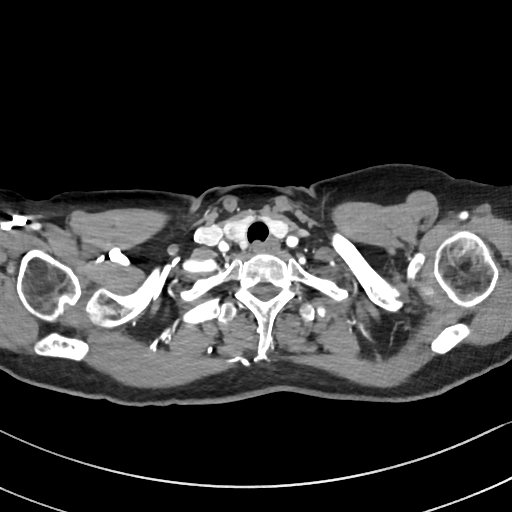
Chest-level slice from an abdominal CT that extends up into the chest. axial view
On a slice this high in the chest, this dataset labels only the esophagus and the aorta, and each is boxed only where it is labeled; the heart, lungs and other chest structures are not labeled.
Bounding boxes as [x1, y1, x2, y2] in pixel coordinates.
Organ bounding boxes:
- esophagus: [248, 241, 276, 252]